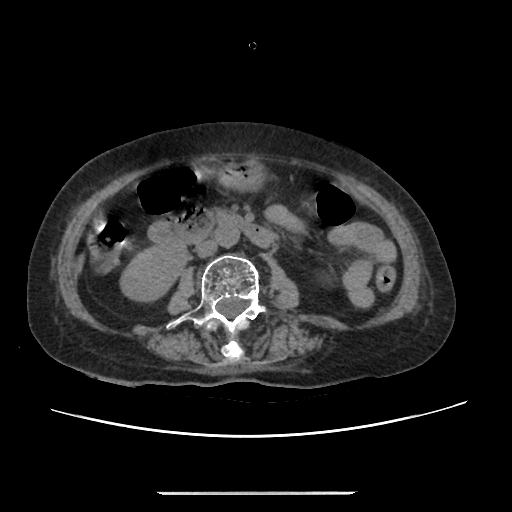 CT abdomen · axial view · SOMATOM Force scanner · scan has 14 labeled organs (a whole-scan count: organs this slice does not pass through have no box)
One row per box, in pixels: columns x1 and y1 give the top-left corner, x2 and y2 the bottom-right.
| organ | x1 | y1 | x2 | y2 |
|---|---|---|---|---|
| right kidney | 121 | 246 | 186 | 300 |
| stomach | 218 | 161 | 264 | 189 |
| aorta | 215 | 224 | 239 | 247 |
| inferior vena cava | 196 | 240 | 217 | 257 |
| duodenum | 150 | 208 | 275 | 247 |